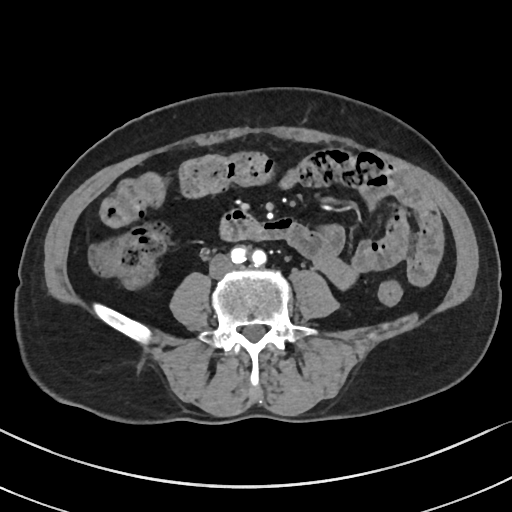
CT, abdomen/pelvis — axial view
Boxes: x1 y1 x2 y2 (pixel coords, space-separated). The annotated organs in this slice are: inferior vena cava at 210 262 225 276, duodenum at 221 210 258 240.